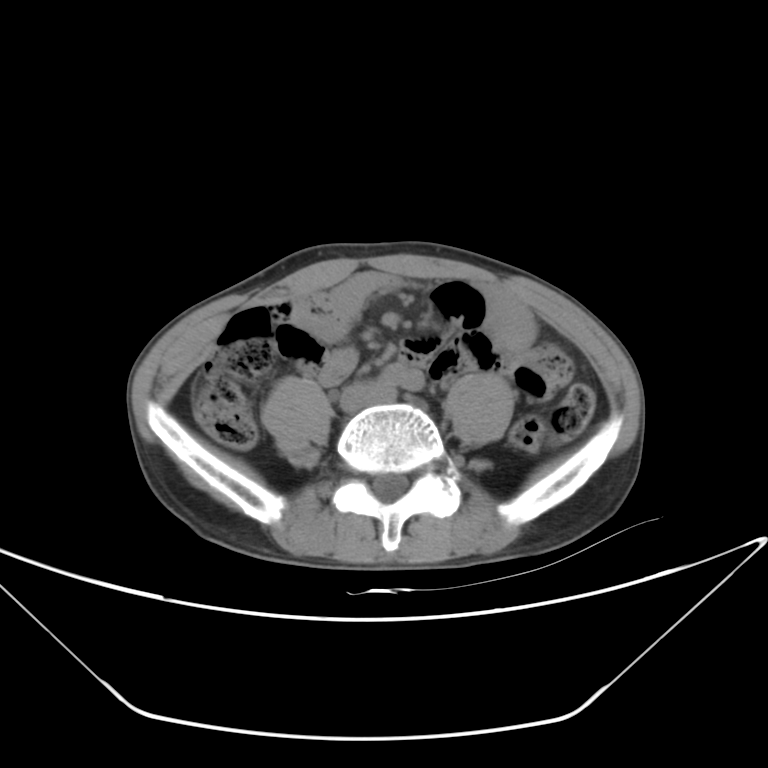
CT, abdomen/pelvis. axial view. W/L 400/40 HU. 15 organs annotated in this scan (that count is for the whole scan; organs this slice misses have no box)
Boxes: x1:y1:x2:y2 in pixels.
inferior vena cava: 343:383:393:408